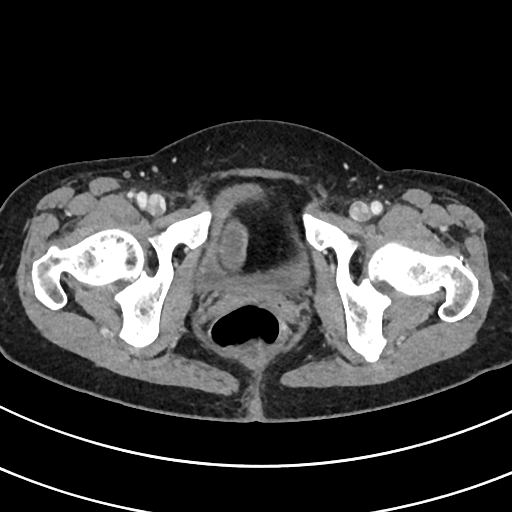
Abdominal CT — axial view
<organs><organ name="bladder" x1="194" y1="184" x2="310" y2="292"/></organs>